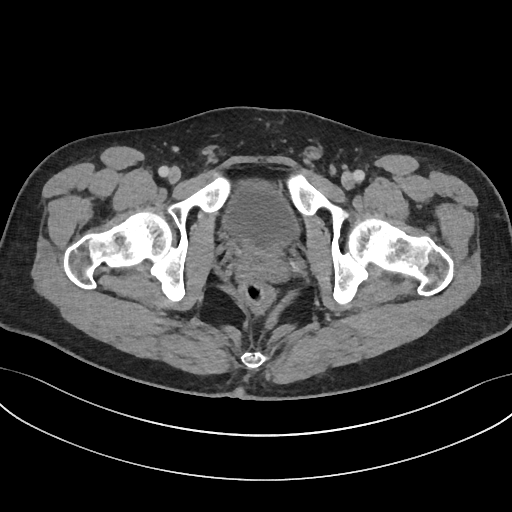 Abdominal CT; axial view; abdomen soft-tissue window; 15 organs annotated in this scan (counted over the whole 3D scan, not this slice; an organ is boxed only where this slice passes through it)
One row per box, in pixels: columns x1 and y1 give the top-left corner, x2 and y2 the bottom-right.
| organ | x1 | y1 | x2 | y2 |
|---|---|---|---|---|
| bladder | 221 | 182 | 301 | 253 |
| prostate/uterus | 238 | 246 | 282 | 274 |